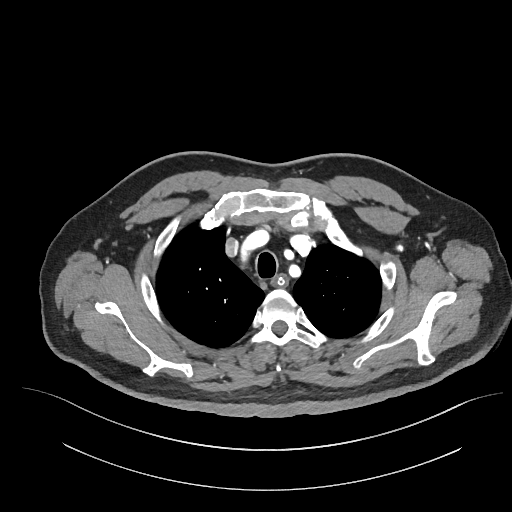

Chest-level CT slice, above the liver and spleen · Axial slice 305/333 · acquired on SOMATOM Force
On a slice this high in the chest, this dataset labels only the esophagus and the aorta, and each is boxed only where it is labeled; the heart, lungs and other chest structures are not labeled.
Organ boxes in pixel coordinates; each row gives the top-left (x1, y1) and bottom-right (x2, y2) corners.
| organ | x1 | y1 | x2 | y2 |
|---|---|---|---|---|
| esophagus | 274 | 274 | 285 | 285 |